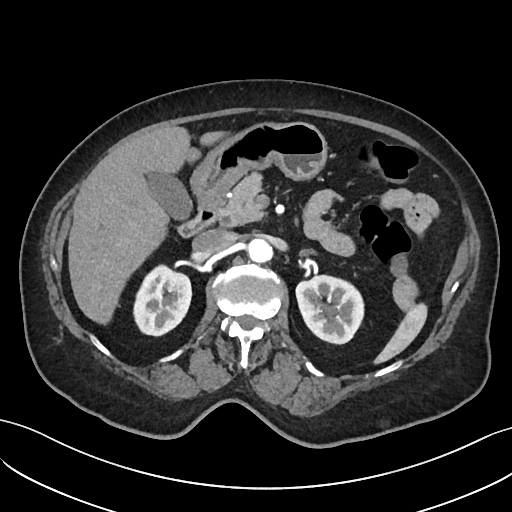 CT abdomen; axial plane, index 132
{"organs":{"spleen":[374,304,428,363],"right kidney":[133,265,190,335],"left kidney":[296,274,363,343],"gall bladder":[145,170,190,218],"liver":[68,126,223,322],"stomach":[190,121,326,199],"aorta":[[247,237,271,261],[502,242,511,261]],"inferior vena cava":[193,229,235,256],"pancreas":[216,174,263,226],"duodenum":[177,195,222,237]}}